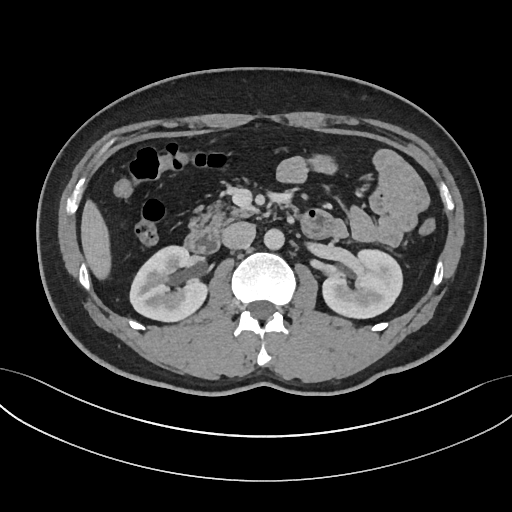 Computed tomography, abdomen; axial view; soft-tissue window (W 400 / L 40); acquired on SOMATOM Force; 15 organs annotated in this scan (that count is for the whole scan; organs this slice misses have no box)
Coordinates as <box>x1,y1,x2,y2</box> in pixels.
Organ bounding boxes:
- right kidney: <box>130,246,206,321</box>
- left kidney: <box>322,249,402,318</box>
- liver: <box>81,200,110,279</box>
- aorta: <box>263,228,284,249</box>
- inferior vena cava: <box>222,221,255,248</box>
- pancreas: <box>188,202,256,228</box>
- duodenum: <box>184,209,334,252</box>